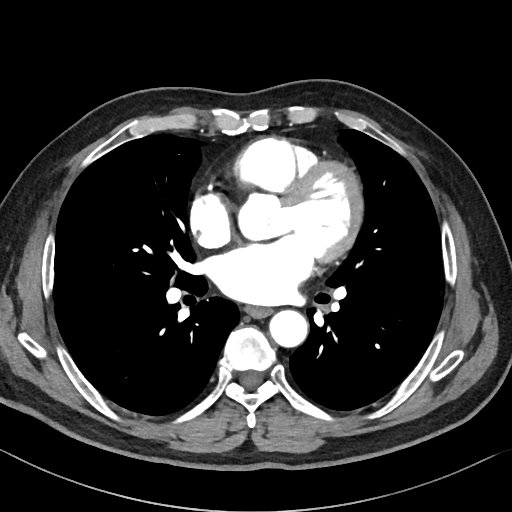
Lower-chest slice from an abdominal CT, just above the liver and spleen; axial view
The heart and lungs are never labeled in this dataset, so they have no box on this slice.
Organ boxes in pixel coordinates; each row gives the top-left (x1, y1) and bottom-right (x2, y2) corners.
| organ | x1 | y1 | x2 | y2 |
|---|---|---|---|---|
| esophagus | 245 | 306 | 272 | 318 |
| aorta | 269 | 310 | 307 | 347 |